CT, abdomen/pelvis; Axial slice 65/104; 53-year-old male patient; scan has 15 labeled organs (that count is for the whole scan; organs this slice misses have no box)
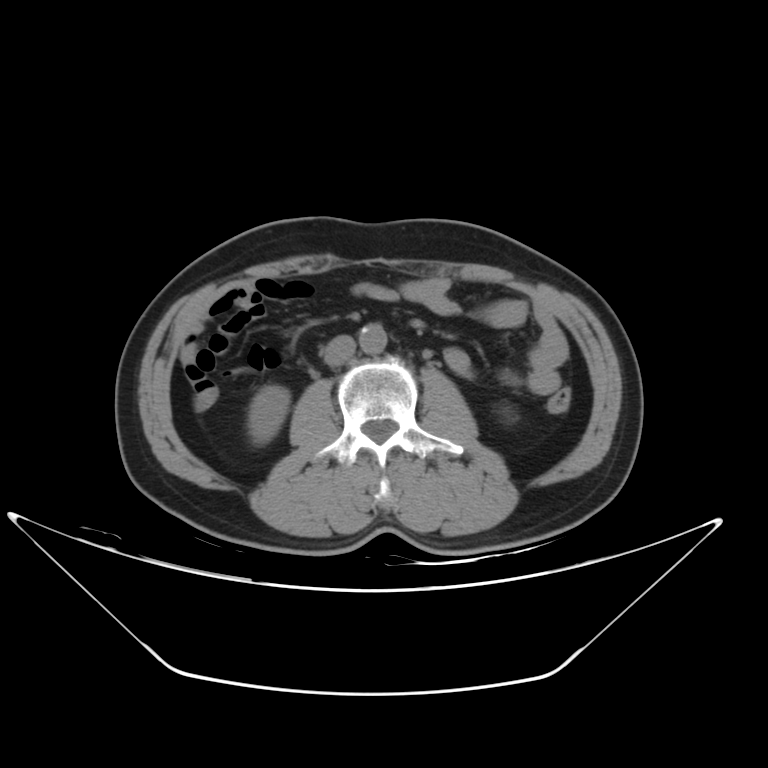

{"organs":{"inferior vena cava":[323,334,356,364],"aorta":[359,323,387,352],"right kidney":[250,387,288,441]}}